CT, abdomen/pelvis · axial view · 512x512 px
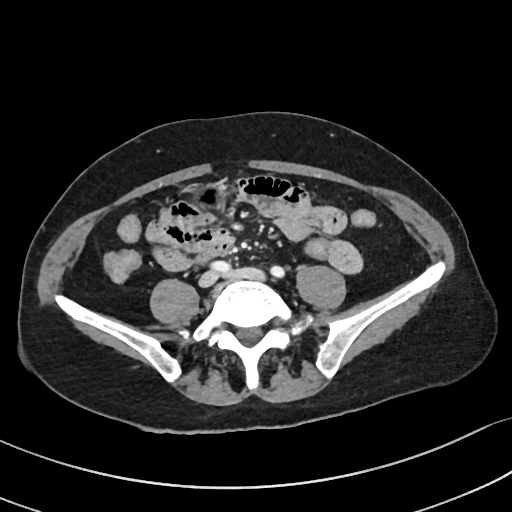 {"organs":{"stomach":[191,186,223,203]}}